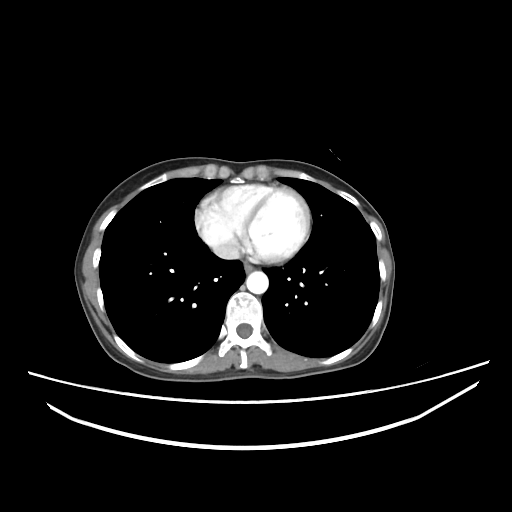
Lower-chest slice from an abdominal CT, just above the liver and spleen — axial plane, index 74 — soft-tissue window
The heart and lungs are never labeled in this dataset, so they have no box on this slice.
Organ boxes in pixel coordinates; each row gives the top-left (x1, y1) and bottom-right (x2, y2) corners.
| organ | x1 | y1 | x2 | y2 |
|---|---|---|---|---|
| esophagus | 244 | 263 | 255 | 272 |
| aorta | 246 | 271 | 268 | 293 |
| inferior vena cava | 213 | 242 | 240 | 259 |